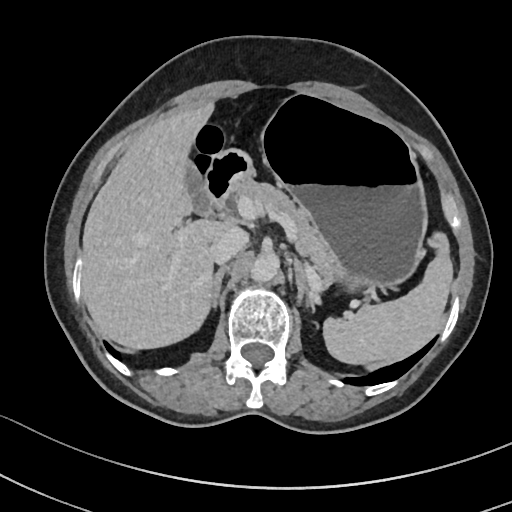 CT abdomen. Axial slice 143/192. 512x512 px. scan has 15 labeled organs (a whole-scan count: organs this slice does not pass through have no box)
Boxes are (x1, y1, x2, y2) in pixels.
spleen: (322, 232, 453, 363)
gall bladder: (182, 162, 210, 216)
liver: (81, 101, 231, 349)
stomach: (260, 95, 428, 285)
aorta: (250, 251, 279, 283)
inferior vena cava: (213, 226, 248, 264)
pancreas: (238, 181, 336, 282)
right adrenal gland: (211, 265, 228, 308)
left adrenal gland: (294, 262, 310, 306)
duodenum: (203, 149, 252, 210)